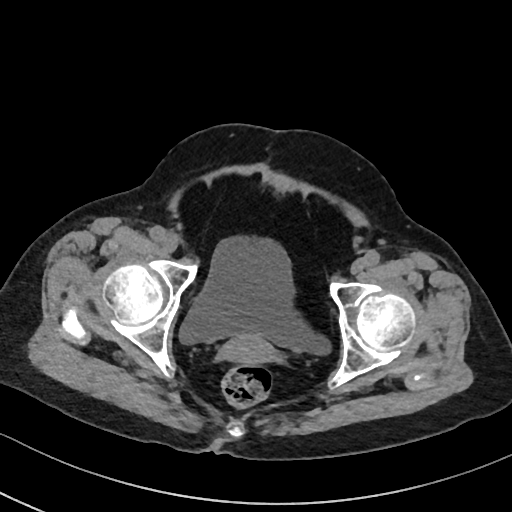
CT, abdomen/pelvis — axial plane, index 40 — abdomen soft-tissue window — 512x512 px — SOMATOM Force scanner
Bounding boxes in pixels, one row per box: x1, y1 is the top-left corner and x2, y2 the bottom-right.
| organ | x1 | y1 | x2 | y2 |
|---|---|---|---|---|
| bladder | 179 | 237 | 324 | 351 |
| prostate/uterus | 219 | 333 | 275 | 365 |